Computed tomography, abdomen — axial view — 512x512 px
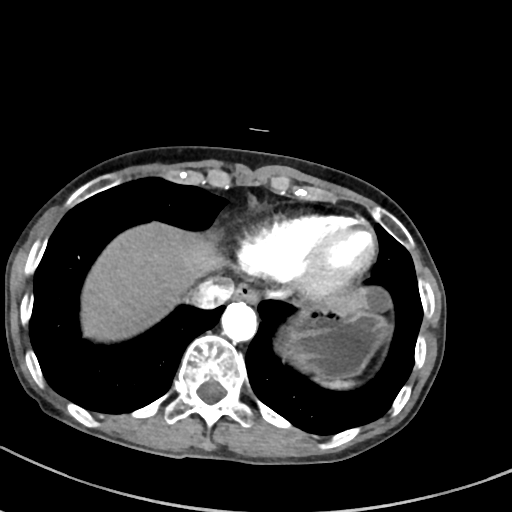

{"organs":{"liver":[80,222,364,338],"stomach":[287,307,390,377],"inferior vena cava":[185,276,233,309],"spleen":[312,376,356,389],"esophagus":[234,282,258,301],"aorta":[220,301,256,340]}}